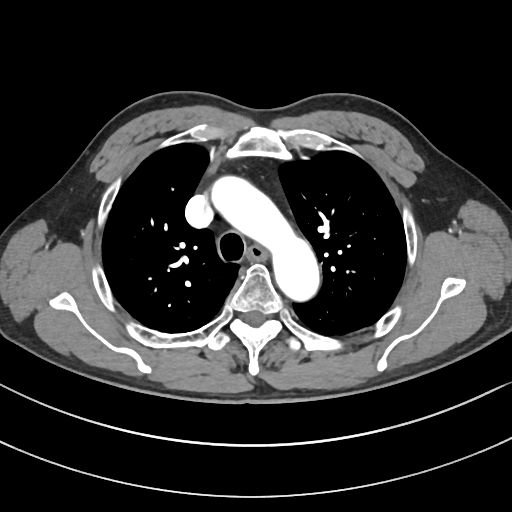 Chest-level slice from an abdominal CT that extends up into the chest — axial view — soft-tissue window, W/L 400/40
On a slice this high in the chest, this dataset labels only the esophagus and the aorta, and each is boxed only where it is labeled; the heart, lungs and other chest structures are not labeled.
{"organs":{"esophagus":[247,246,264,259],"aorta":[214,179,318,298]}}